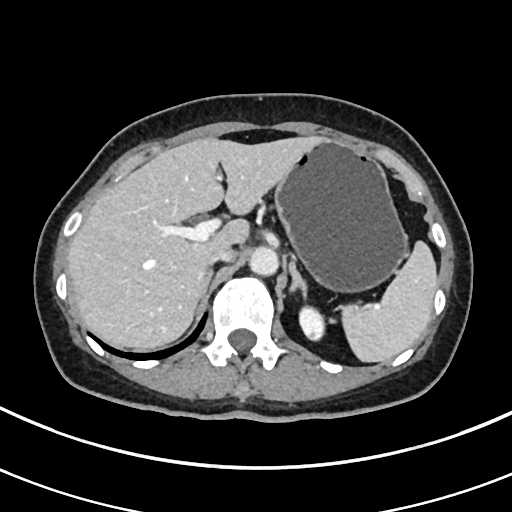

Abdominal CT — axial view
<organs><organ name="spleen" x1="341" y1="241" x2="437" y2="362"/><organ name="left kidney" x1="299" y1="306" x2="324" y2="340"/><organ name="liver" x1="67" y1="136" x2="323" y2="349"/><organ name="stomach" x1="274" y1="140" x2="407" y2="291"/><organ name="aorta" x1="249" y1="247" x2="278" y2="275"/><organ name="inferior vena cava" x1="209" y1="248" x2="235" y2="264"/><organ name="right adrenal gland" x1="203" y1="270" x2="212" y2="292"/><organ name="left adrenal gland" x1="289" y1="257" x2="306" y2="297"/></organs>